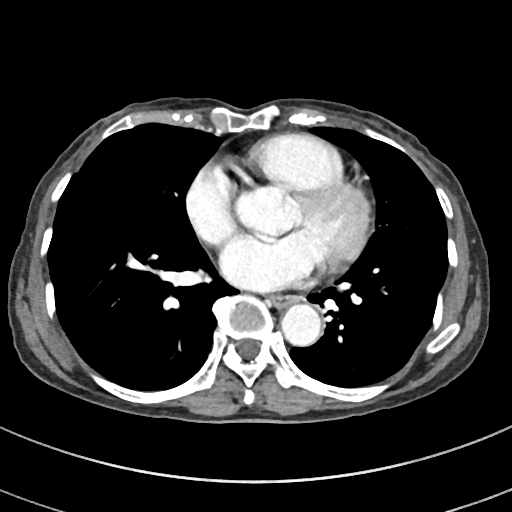
Lower-chest slice from an abdominal CT, just above the liver and spleen — axial plane, index 193 — soft-tissue window — 512x512 px — acquired on SOMATOM Force — 14 organs annotated in this scan (that count is for the whole scan; organs this slice misses have no box)
No part of the heart or lungs is labeled in this dataset, so neither has a box here.
<organs><organ name="aorta" x1="237" y1="186" x2="301" y2="234"/><organ name="aorta" x1="281" y1="304" x2="321" y2="347"/><organ name="esophagus" x1="270" y1="294" x2="295" y2="307"/></organs>